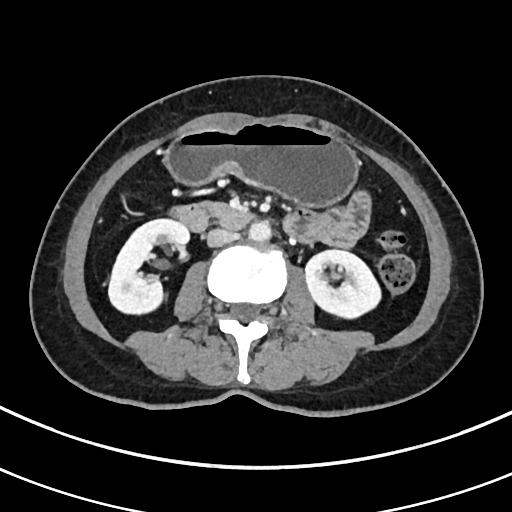

CT, abdomen/pelvis; Axial slice 112/192; 512x512 px
Coordinates as <box>x1,y1,x2,y2</box> in pixels.
right kidney: <box>108,218,190,313</box>
left kidney: <box>306,250,381,316</box>
stomach: <box>166,121,355,207</box>
aorta: <box>248,221,270,241</box>
inferior vena cava: <box>206,228,239,246</box>
duodenum: <box>170,203,252,231</box>